CT abdomen; axial plane, index 88; 65-year-old male patient; 15 organs annotated in this scan (a whole-scan count: organs this slice does not pass through have no box)
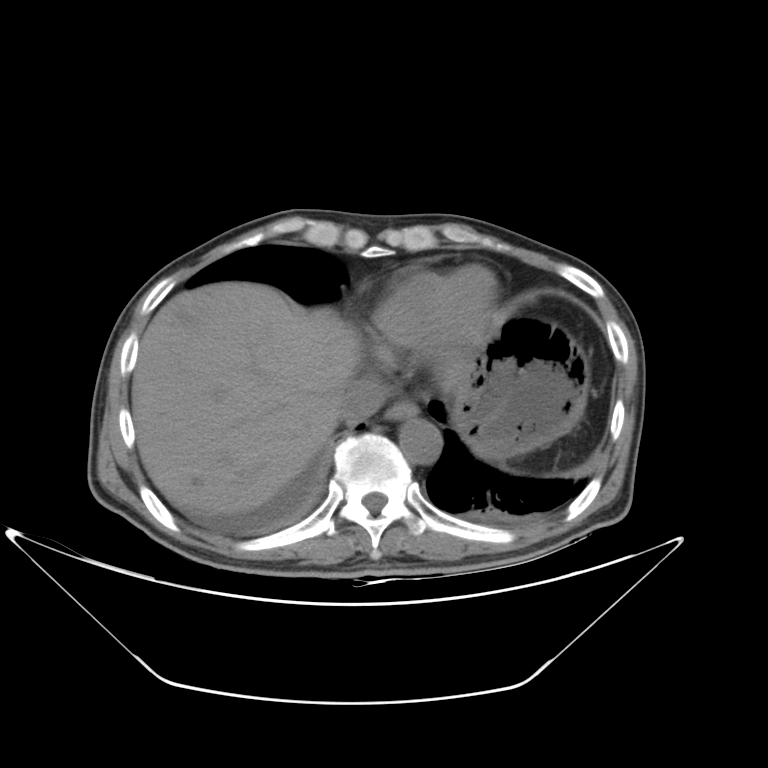
{"organs":{"gall bladder":[183,317,186,319],"esophagus":[383,401,419,420],"liver":[131,282,468,515],"stomach":[451,317,589,459],"aorta":[399,418,441,463],"inferior vena cava":[339,378,388,425]}}